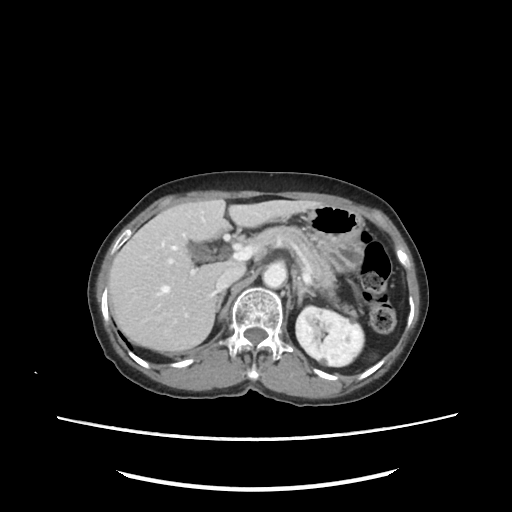 Computed tomography, abdomen · Axial slice 67/124 · 512x512 px
<organs><organ name="left kidney" x1="295" y1="305" x2="363" y2="366"/><organ name="gall bladder" x1="188" y1="242" x2="230" y2="262"/><organ name="liver" x1="109" y1="198" x2="325" y2="350"/><organ name="stomach" x1="308" y1="206" x2="364" y2="272"/><organ name="aorta" x1="262" y1="263" x2="286" y2="287"/><organ name="inferior vena cava" x1="214" y1="265" x2="244" y2="291"/><organ name="pancreas" x1="249" y1="225" x2="357" y2="318"/><organ name="right adrenal gland" x1="216" y1="290" x2="225" y2="310"/><organ name="left adrenal gland" x1="296" y1="272" x2="315" y2="304"/></organs>